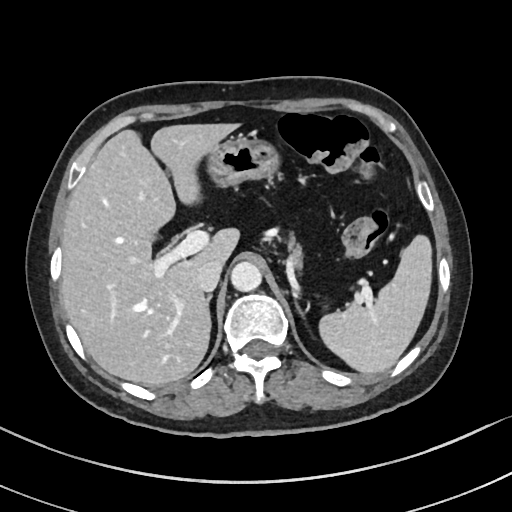

CT abdomen · axial view · 14 organs annotated in this scan (that count is for the whole scan; organs this slice misses have no box)
Coordinates as <box>x1,y1,x2,y2</box> in pixels.
Organ bounding boxes:
- spleen: <box>320,236,430,373</box>
- liver: <box>60,122,242,385</box>
- stomach: <box>207,138,278,185</box>
- aorta: <box>231,261,262,292</box>
- inferior vena cava: <box>196,260,223,292</box>
- pancreas: <box>291,248,301,267</box>
- right adrenal gland: <box>208,298,210,303</box>
- left adrenal gland: <box>294,302,307,319</box>